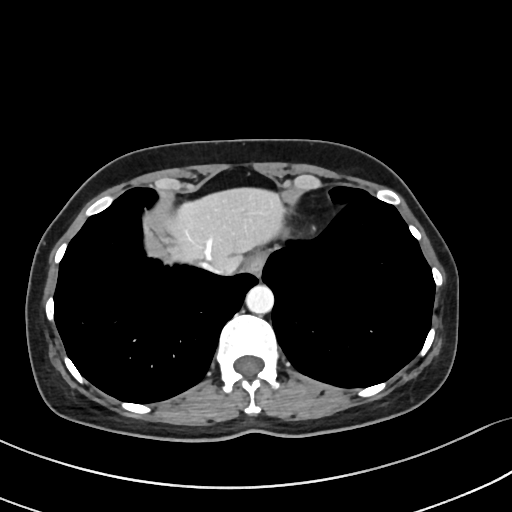

CT abdomen. axial plane, index 166
<organs><organ name="esophagus" x1="246" y1="252" x2="265" y2="275"/><organ name="liver" x1="164" y1="187" x2="285" y2="273"/><organ name="aorta" x1="245" y1="285" x2="273" y2="313"/><organ name="inferior vena cava" x1="196" y1="260" x2="227" y2="273"/></organs>